Lower-chest slice from an abdominal CT, just above the liver and spleen — axial view — 62-year-old male patient — scan has 15 labeled organs (that count is for the whole scan; organs this slice misses have no box)
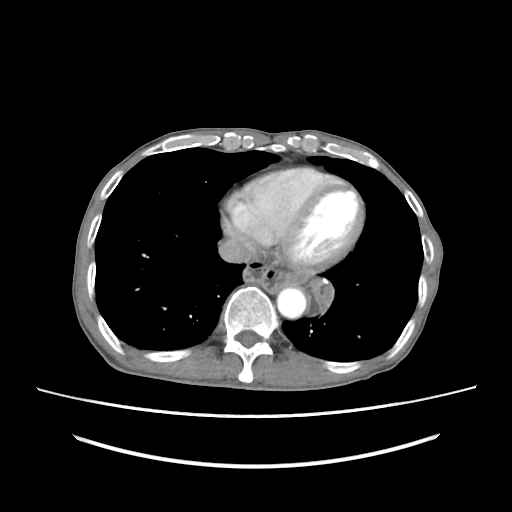

No part of the heart or lungs is labeled in this dataset, so neither has a box here.
<organs><organ name="inferior vena cava" x1="218" y1="238" x2="253" y2="263"/><organ name="aorta" x1="277" y1="287" x2="306" y2="318"/></organs>